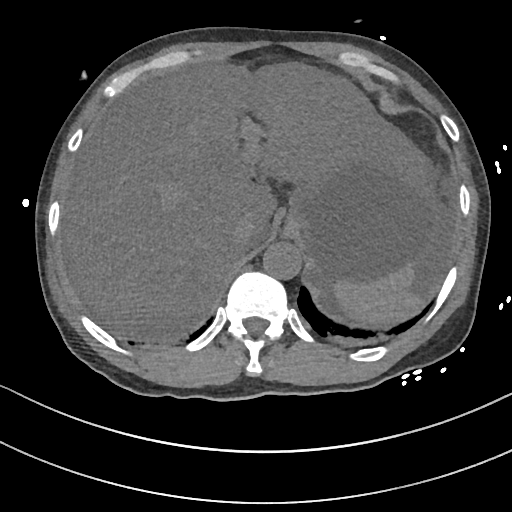

Abdominal CT; axial plane, index 201; acquired on SOMATOM Force
Boxes: x1 y1 x2 y2 (pixel coords, space-separated).
spleen: 333 265 421 326
liver: 61 61 430 342
stomach: 287 144 445 287
aorta: 262 241 300 279
inferior vena cava: 230 219 254 251